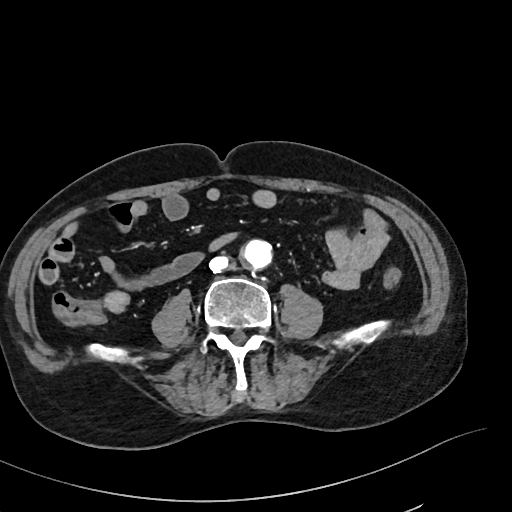

Computed tomography, abdomen · axial plane, index 104 · W/L 400/40 HU · 512x512 px · acquired on SOMATOM Force · scan has 15 labeled organs (a whole-scan count: organs this slice does not pass through have no box)
Boxes are (x1, y1, x2, y2) in pixels.
Organ bounding boxes:
- aorta: (241, 241, 270, 269)
- inferior vena cava: (209, 255, 230, 273)